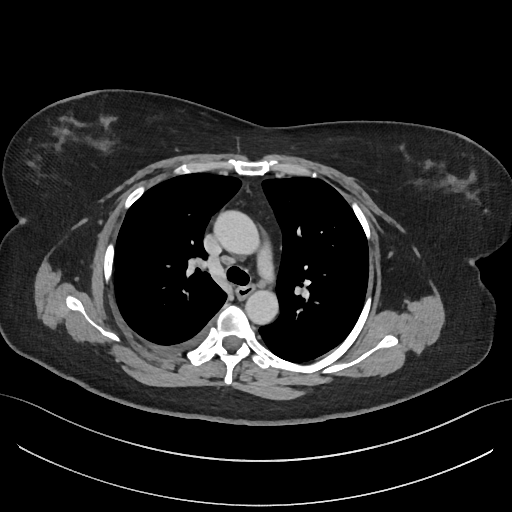 CT of the abdomen extending into the chest, slice through the chest; axial view; soft-tissue window, W/L 400/40; scan has 15 labeled organs (that count is for the whole scan; organs this slice misses have no box)
At this level of the chest this dataset labels only the esophagus and the aorta, and each is boxed only where it is labeled; the heart and lungs are never labeled.
<organs><organ name="esophagus" x1="237" y1="284" x2="254" y2="297"/><organ name="aorta" x1="215" y1="211" x2="261" y2="256"/><organ name="aorta" x1="245" y1="288" x2="279" y2="324"/></organs>